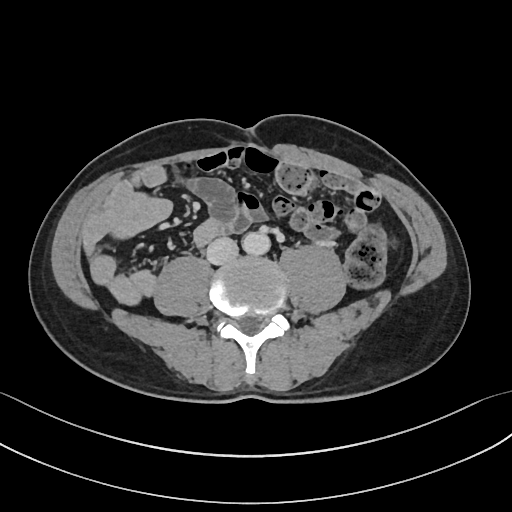
CT abdomen. axial view. scan has 14 labeled organs (that count is for the whole scan; organs this slice misses have no box)
Coordinates as <box>x1,y1,x2,y2</box> in pixels. The annotated organs in this slice are: aorta at <box>242,232,270,255</box>, inferior vena cava at <box>206,237,238,265</box>.